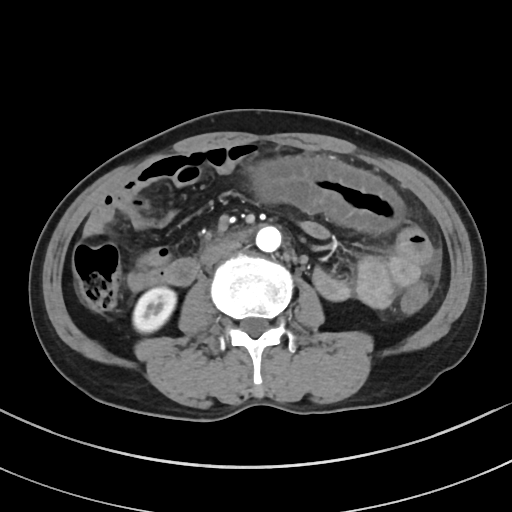

CT, abdomen/pelvis — Axial slice 50/89 — soft-tissue window (W 400 / L 40) — 512x512 px — acquired on SOMATOM Force
One row per box, in pixels: columns x1 and y1 give the top-left corner, x2 and y2 the bottom-right.
| organ | x1 | y1 | x2 | y2 |
|---|---|---|---|---|
| right kidney | 133 | 287 | 176 | 332 |
| aorta | 255 | 226 | 281 | 252 |
| inferior vena cava | 202 | 241 | 240 | 264 |